Abdominal CT · axial plane, index 17 · soft-tissue window · 68-year-old male patient
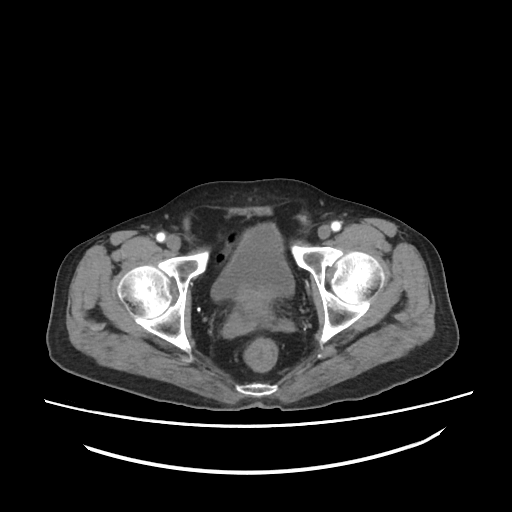
Organ boxes in pixel coordinates; each row gives the top-left (x1, y1) and bottom-right (x2, y2) corners.
| organ | x1 | y1 | x2 | y2 |
|---|---|---|---|---|
| prostate/uterus | 235 | 288 | 271 | 318 |
| bladder | 211 | 224 | 294 | 299 |